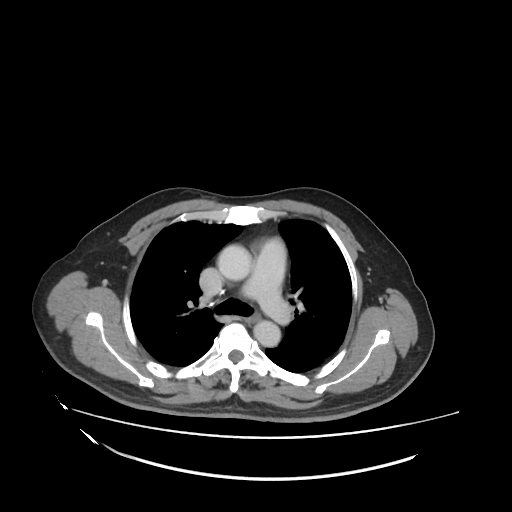 Abdominal CT reaching into the chest; this slice is in the chest — axial view — 512x512 px — acquired on Aquilion ONE
On a slice this high in the chest, this dataset labels only the esophagus and the aorta, and each is boxed only where it is labeled; the heart, lungs and other chest structures are not labeled. Boxes are (x1, y1, x2, y2) in pixels. 2 labeled organs on this slice — esophagus at (248, 311, 260, 325); aorta at (218, 246, 250, 280); aorta at (253, 320, 279, 346).